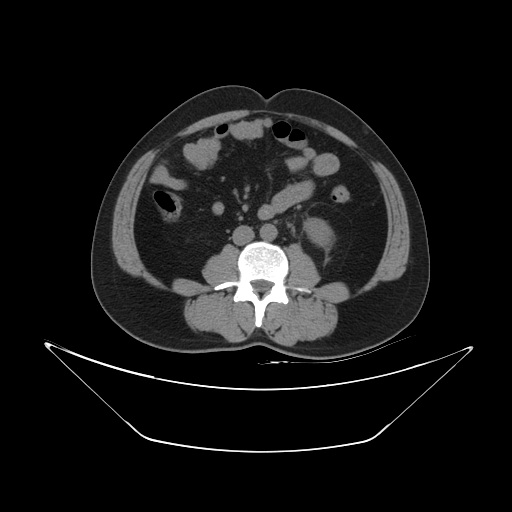

CT abdomen. axial plane, index 47. acquired on Brilliance16
{"organs":{"left kidney":[304,218,331,246],"aorta":[260,223,277,240],"inferior vena cava":[232,225,254,245]}}